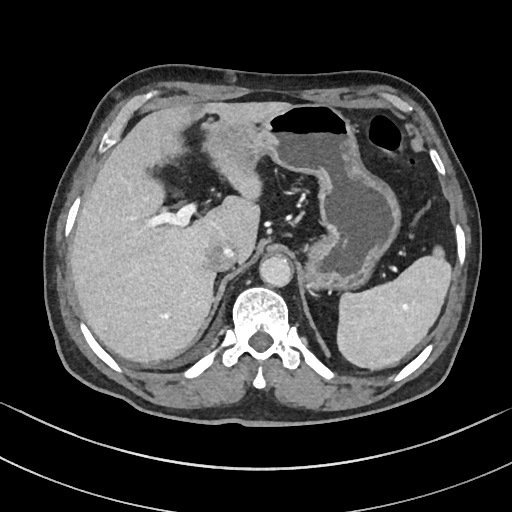
CT abdomen · axial plane, index 186 · abdomen soft-tissue window
{"organs":{"spleen":[336,247,450,369],"liver":[70,101,291,362],"stomach":[227,104,400,289],"aorta":[259,257,292,287],"inferior vena cava":[206,242,236,271]}}